Abdominal CT; this slice is in the lower chest, just above the liver — axial plane, index 227 — 512x512 px — acquired on SOMATOM Force
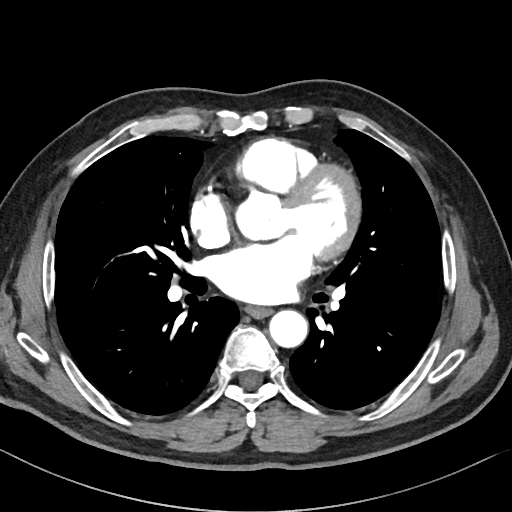
Of the structures in the chest, this dataset labels only the esophagus, the aorta and the inferior vena cava; the heart and lungs have no label.
Boxes are (x1, y1, x2, y2) in pixels.
Organ bounding boxes:
- esophagus: (246, 306, 272, 318)
- aorta: (268, 310, 307, 348)